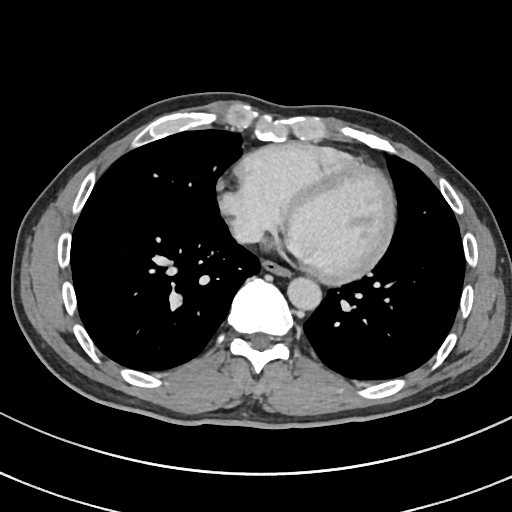

Abdominal CT; this slice is in the lower chest, just above the liver. axial view. SOMATOM Force scanner
The heart and lungs are never labeled in this dataset, so they have no box on this slice.
Box edges are left/top/right/bottom in pixels.
Organ bounding boxes:
- esophagus: left=262, top=261, right=290, bottom=276
- inferior vena cava: left=232, top=218, right=262, bottom=243
- aorta: left=287, top=277, right=321, bottom=310